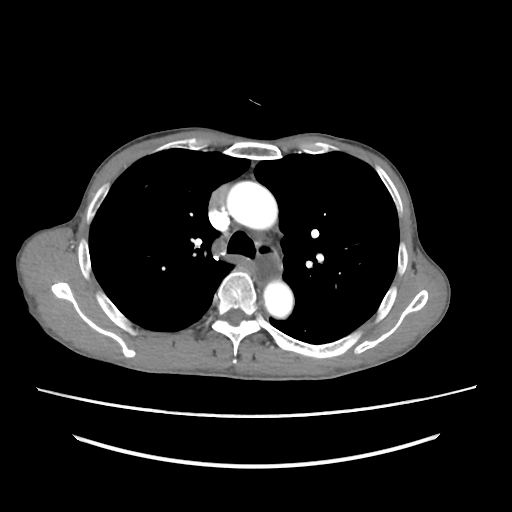
Chest-level CT slice, above the liver and spleen. axial view. 512x512 px
At this level of the chest this dataset labels only the esophagus and the aorta, and each is boxed only where it is labeled; the heart and lungs are never labeled.
<organs><organ name="esophagus" x1="257" y1="243" x2="281" y2="284"/><organ name="aorta" x1="227" y1="181" x2="277" y2="229"/><organ name="aorta" x1="263" y1="280" x2="293" y2="318"/></organs>